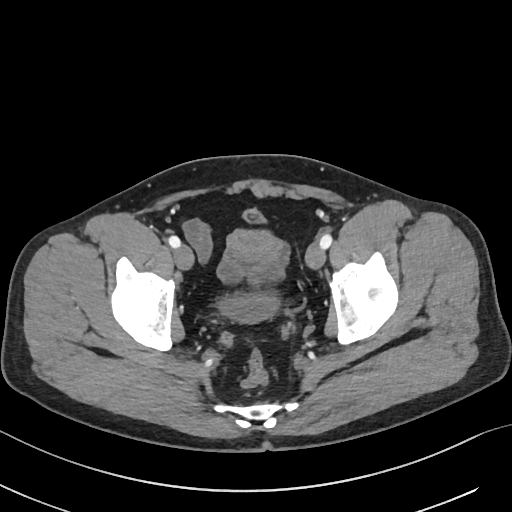
CT abdomen; Axial slice 47/307; W/L 400/40 HU; SOMATOM Force scanner; scan has 15 labeled organs (a whole-scan count: organs this slice does not pass through have no box)
<organs><organ name="bladder" x1="218" y1="209" x2="277" y2="322"/></organs>